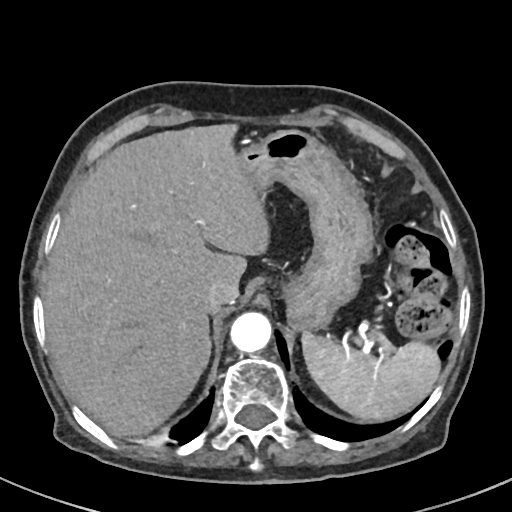

CT, abdomen/pelvis — Axial slice 165/279 — soft-tissue window (W 400 / L 40)
<organs><organ name="spleen" x1="301" y1="331" x2="440" y2="419"/><organ name="liver" x1="43" y1="122" x2="268" y2="434"/><organ name="stomach" x1="238" y1="129" x2="375" y2="331"/><organ name="aorta" x1="229" y1="313" x2="271" y2="355"/><organ name="inferior vena cava" x1="203" y1="278" x2="238" y2="310"/></organs>